CT abdomen; Axial slice 79/90; 768x768 px
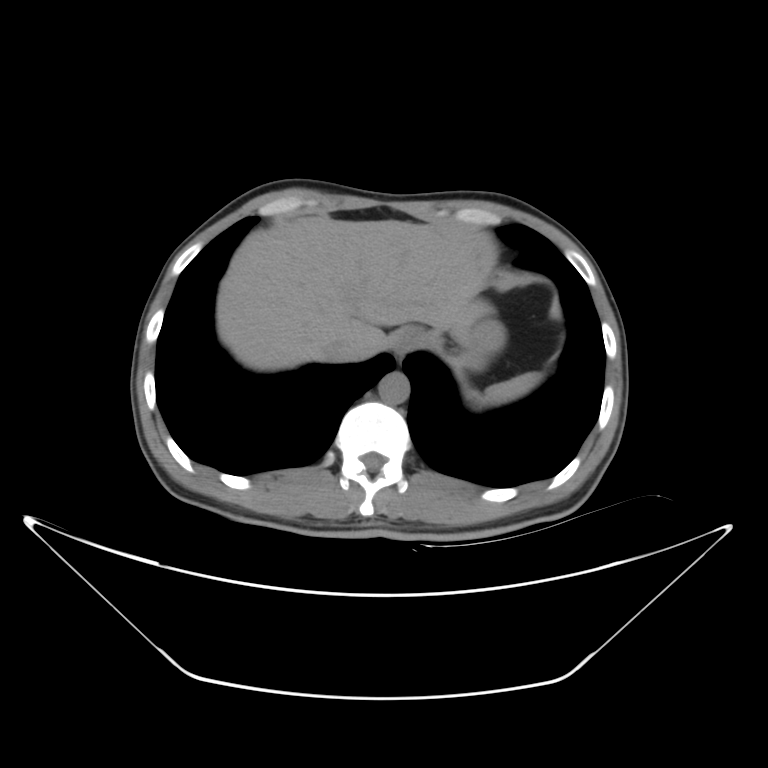

<organs><organ name="spleen" x1="466" y1="371" x2="541" y2="406"/><organ name="liver" x1="216" y1="213" x2="495" y2="370"/><organ name="esophagus" x1="389" y1="325" x2="439" y2="348"/><organ name="inferior vena cava" x1="320" y1="336" x2="359" y2="361"/><organ name="aorta" x1="376" y1="371" x2="409" y2="406"/><organ name="stomach" x1="457" y1="323" x2="501" y2="370"/></organs>